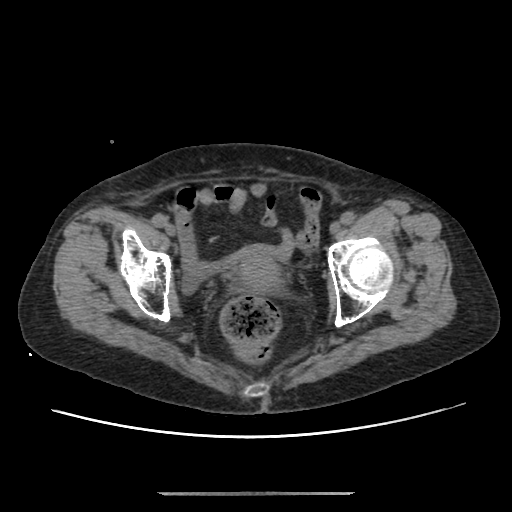

Computed tomography, abdomen. Axial slice 69/353. SOMATOM Force scanner. 14 organs annotated in this scan (that count is for the whole scan; organs this slice misses have no box)
Each box given as x1,y1,x2,y2.
Organ bounding boxes:
- prostate/uterus: x1=234, y1=247, x2=279, y2=290